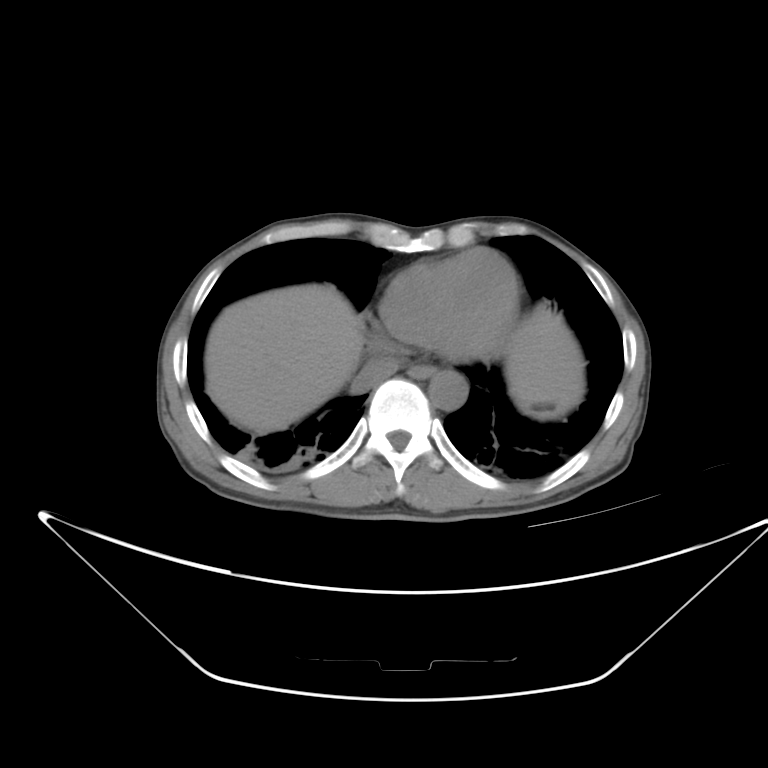 CT abdomen. axial view. soft-tissue window. scan has 15 labeled organs (counted over the whole 3D scan, not this slice; an organ is boxed only where this slice passes through it)
Boxes: x1 y1 x2 y2 (pixel coords, space-separated).
Organ bounding boxes:
- esophagus: 410 364 432 379
- liver: 203 284 583 437
- stomach: 506 382 585 418
- aorta: 428 372 467 410
- inferior vena cava: 351 355 400 393